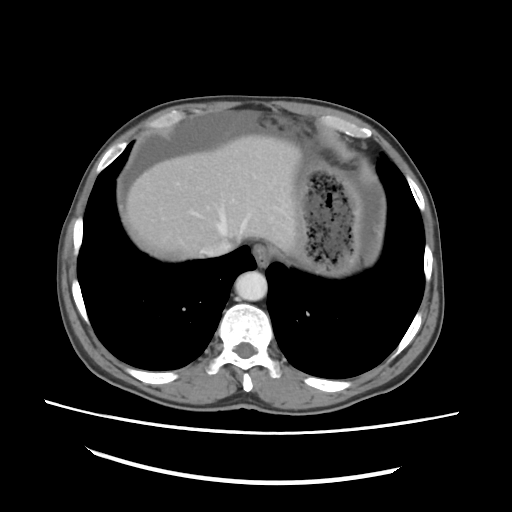
CT, abdomen/pelvis; axial view; soft-tissue window; 61-year-old male patient
Organ boxes in pixel coordinates; each row gives the top-left (x1, y1) and bottom-right (x2, y2) corners.
| organ | x1 | y1 | x2 | y2 |
|---|---|---|---|---|
| esophagus | 253 | 244 | 272 | 266 |
| liver | 125 | 134 | 302 | 260 |
| stomach | 296 | 160 | 362 | 275 |
| aorta | 235 | 271 | 267 | 300 |
| inferior vena cava | 200 | 238 | 235 | 256 |